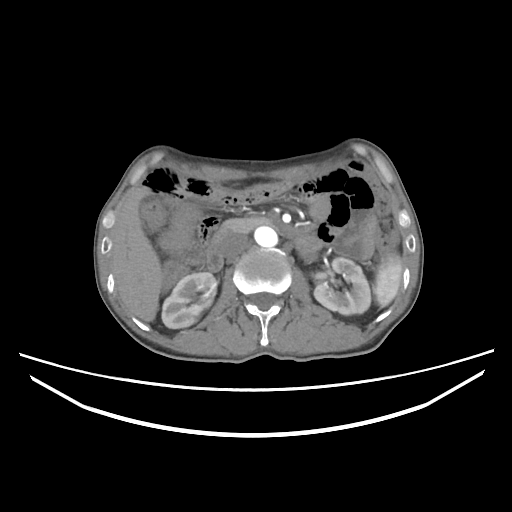 CT, abdomen/pelvis. axial plane, index 55. abdomen soft-tissue window. 512x512 px. 50-year-old male patient. acquired on Aquilion ONE
Boxes: x1:y1:x2:y2 in pixels. Labeled organs on this slice: spleen at 373:256:402:307, right kidney at 161:272:216:328, left kidney at 314:257:370:314, gall bladder at 140:194:156:206, liver at 111:187:162:321, aorta at 254:226:277:247, inferior vena cava at 220:231:249:258, pancreas at 221:217:267:232, duodenum at 206:221:323:271.